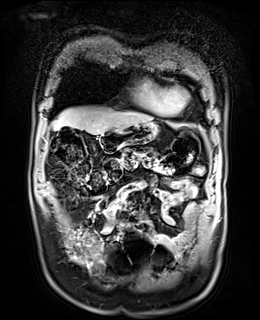
Abdominal MR · coronal acquisition · 260x320 px
Box edges are left/top/right/bottom in pixels.
liver: left=53, top=107, right=152, bottom=134
stomach: left=98, top=122, right=157, bottom=151